CT, abdomen/pelvis — axial view — soft-tissue window — 768x768 px — scan has 15 labeled organs (counted over the whole 3D scan, not this slice; an organ is boxed only where this slice passes through it)
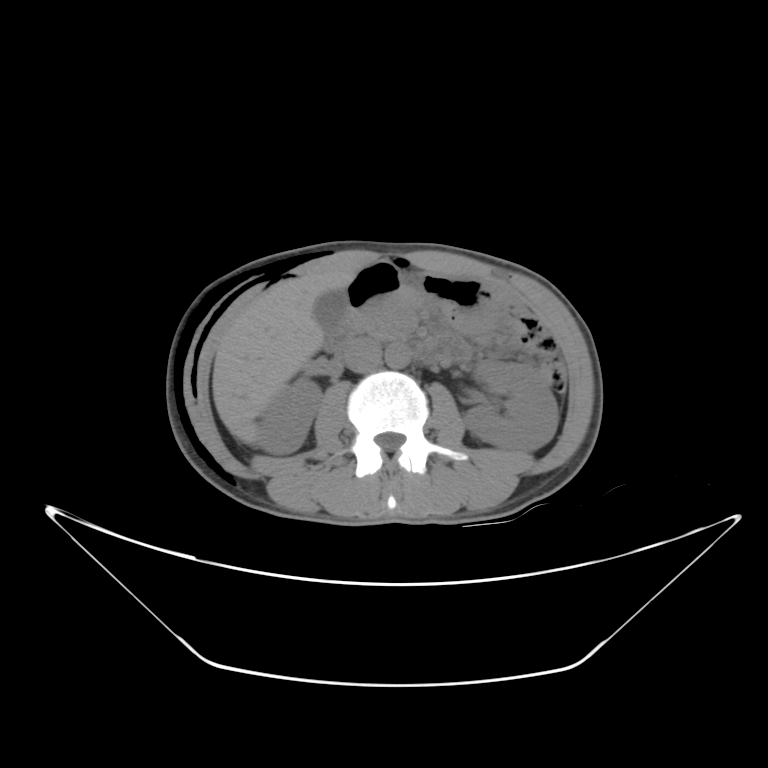
<organs><organ name="right kidney" x1="257" y1="379" x2="320" y2="453"/><organ name="left kidney" x1="463" y1="359" x2="557" y2="451"/><organ name="gall bladder" x1="314" y1="287" x2="346" y2="332"/><organ name="liver" x1="212" y1="271" x2="359" y2="445"/><organ name="stomach" x1="348" y1="260" x2="497" y2="329"/><organ name="aorta" x1="384" y1="343" x2="408" y2="370"/><organ name="inferior vena cava" x1="344" y1="341" x2="380" y2="370"/><organ name="pancreas" x1="348" y1="292" x2="427" y2="340"/><organ name="duodenum" x1="334" y1="313" x2="460" y2="364"/></organs>